CT, abdomen/pelvis · axial plane, index 131
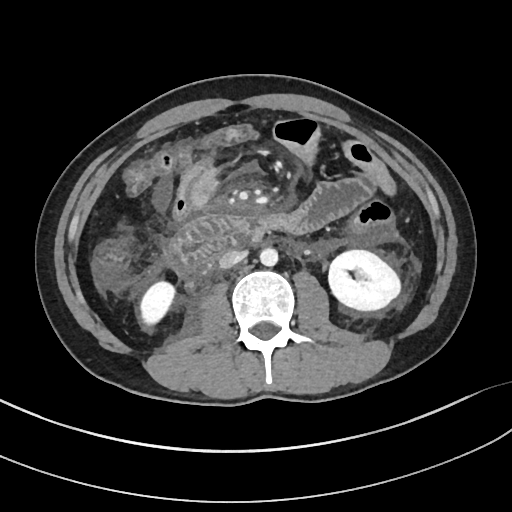

{"organs":{"right kidney":[140,281,175,325],"left kidney":[328,250,400,310],"aorta":[259,248,278,266],"inferior vena cava":[219,250,247,268],"duodenum":[169,214,261,275]}}